CT, abdomen/pelvis · axial view · soft-tissue window (W 400 / L 40) · acquired on SOMATOM Force · 14 organs annotated in this scan (a whole-scan count: organs this slice does not pass through have no box)
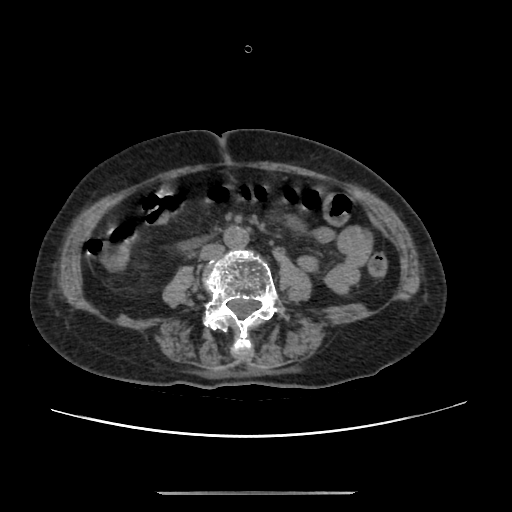 Coordinates as <box>x1,y1,x2,y2</box> in pixels.
inferior vena cava: <box>199,243,222,259</box>
aorta: <box>222,225,247,247</box>